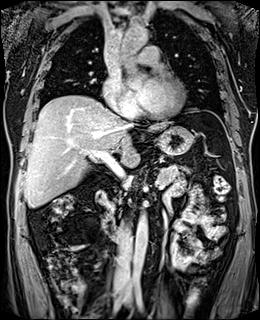 Magnetic resonance imaging, abdomen; coronal view; 1st–99th percentile window; 13 organs annotated in this scan (a whole-scan count: organs this slice does not pass through have no box)
Bounding boxes in pixels, one row per box: x1, y1 is the top-left corner and x2, y2 the bottom-right.
| organ | x1 | y1 | x2 | y2 |
|---|---|---|---|---|
| liver | 24 | 95 | 171 | 207 |
| stomach | 157 | 126 | 193 | 155 |
| aorta | 131 | 212 | 147 | 282 |
| aorta | 119 | 24 | 148 | 48 |
| inferior vena cava | 114 | 223 | 131 | 282 |
| inferior vena cava | 120 | 104 | 135 | 122 |
| pancreas | 107 | 164 | 189 | 209 |
| duodenum | 96 | 190 | 118 | 240 |